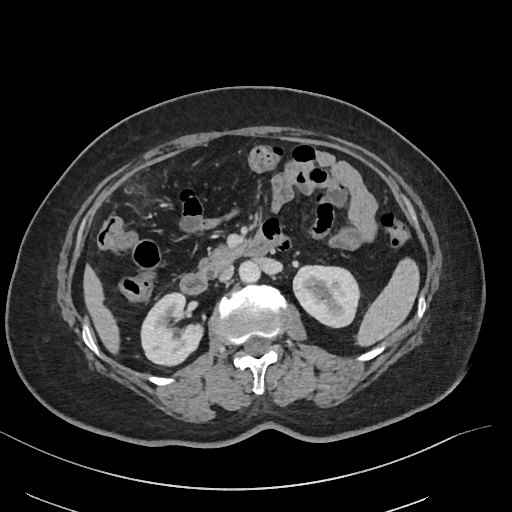 Abdominal CT. axial plane, index 156. W/L 400/40 HU
Bounding boxes as [x1, y1, x2, y2] in pixel coordinates. Labeled organs on this slice: spleen at [357, 260, 420, 346], right kidney at [140, 292, 203, 367], left kidney at [293, 265, 361, 327], liver at [84, 266, 120, 352], aorta at [239, 260, 260, 282], inferior vena cava at [219, 265, 233, 282], pancreas at [200, 246, 239, 270], duodenum at [180, 238, 274, 293].